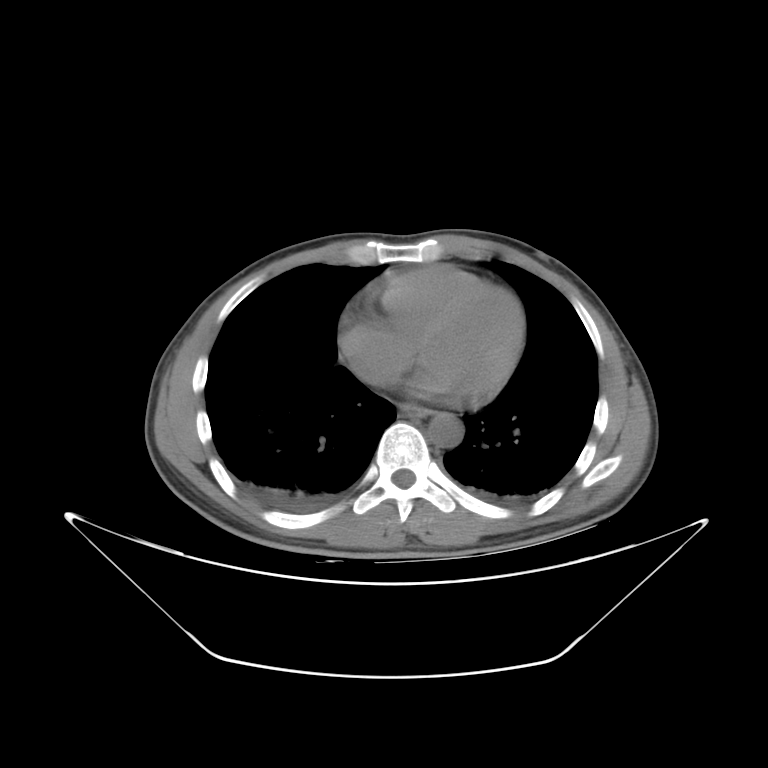

CT of the abdomen reaching into the lower chest, slice just above the liver and spleen; axial plane, index 87; 39-year-old male patient; Brilliance16 scanner
No part of the heart or lungs is labeled in this dataset, so neither has a box here.
Organ boxes in pixel coordinates; each row gives the top-left (x1, y1) and bottom-right (x2, y2) corners.
| organ | x1 | y1 | x2 | y2 |
|---|---|---|---|---|
| inferior vena cava | 350 | 353 | 384 | 384 |
| esophagus | 396 | 402 | 431 | 418 |
| aorta | 428 | 412 | 463 | 447 |